CT, abdomen/pelvis. axial view. 512x512 px
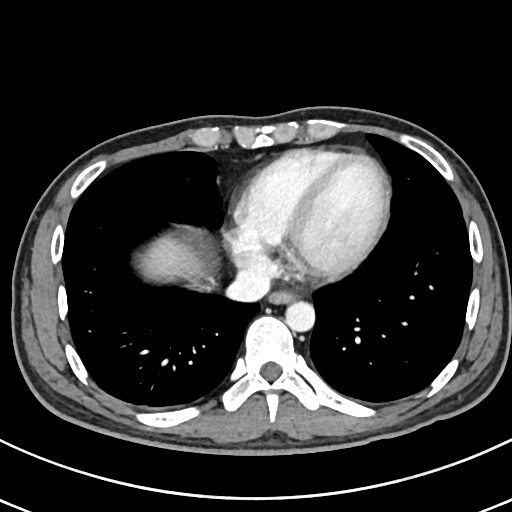
One row per box, in pixels: columns x1 and y1 give the top-left corner, x2 and y2 the bottom-right.
| organ | x1 | y1 | x2 | y2 |
|---|---|---|---|---|
| liver | 142 | 236 | 205 | 277 |
| aorta | 285 | 301 | 315 | 331 |
| inferior vena cava | 226 | 267 | 270 | 301 |
| esophagus | 269 | 291 | 294 | 304 |